Abdominal CT; this slice is in the lower chest, just above the liver. axial view. W/L 400/40 HU
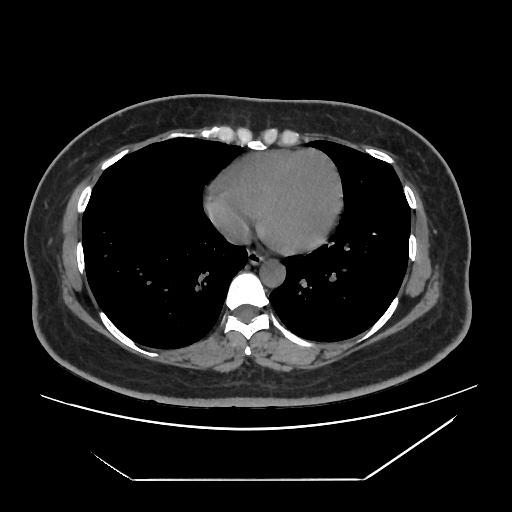
The heart and lungs are never labeled in this dataset, so they have no box on this slice.
Box edges are left/top/right/bottom in pixels.
Organ bounding boxes:
- esophagus: left=248, top=251, right=264, bottom=264
- aorta: left=259, top=260, right=285, bottom=287
- inferior vena cava: left=225, top=225, right=248, bottom=242